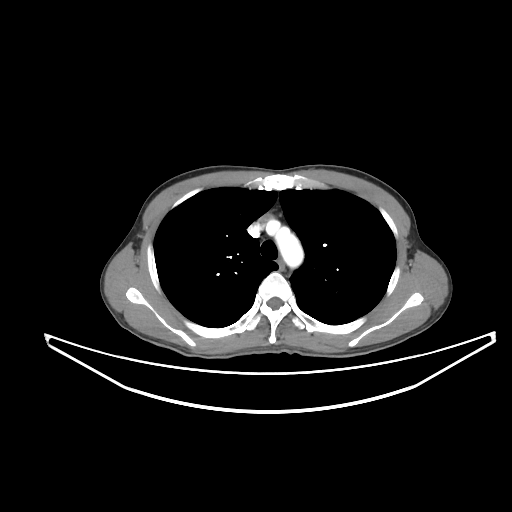
Chest-level slice from an abdominal CT that extends up into the chest — axial view — 52-year-old male patient — acquired on Aquilion ONE — 15 organs annotated in this scan (that count is for the whole scan; organs this slice misses have no box)
On a slice this high in the chest, this dataset labels only the esophagus and the aorta, and each is boxed only where it is labeled; the heart, lungs and other chest structures are not labeled.
{"organs":{"esophagus":[278,259,284,269],"aorta":[267,222,303,267]}}